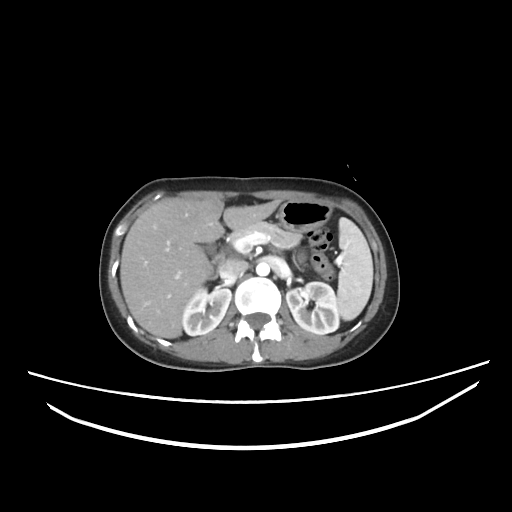 Computed tomography, abdomen. Axial slice 54/114. soft-tissue window (W 400 / L 40)
Bounding boxes in pixels, one row per box: x1, y1 is the top-left corner and x2, y2 the bottom-right.
| organ | x1 | y1 | x2 | y2 |
|---|---|---|---|---|
| spleen | 337 | 217 | 373 | 320 |
| right kidney | 182 | 288 | 231 | 335 |
| left kidney | 286 | 282 | 339 | 334 |
| gall bladder | 204 | 244 | 215 | 254 |
| liver | 120 | 198 | 280 | 338 |
| stomach | 277 | 200 | 331 | 232 |
| aorta | 256 | 262 | 269 | 275 |
| inferior vena cava | 219 | 260 | 248 | 278 |
| pancreas | 229 | 221 | 301 | 248 |
| duodenum | 209 | 254 | 223 | 278 |